Lower-chest slice from an abdominal CT, just above the liver and spleen · axial view · W/L 400/40 HU · scan has 15 labeled organs (counted over the whole 3D scan, not this slice; an organ is boxed only where this slice passes through it)
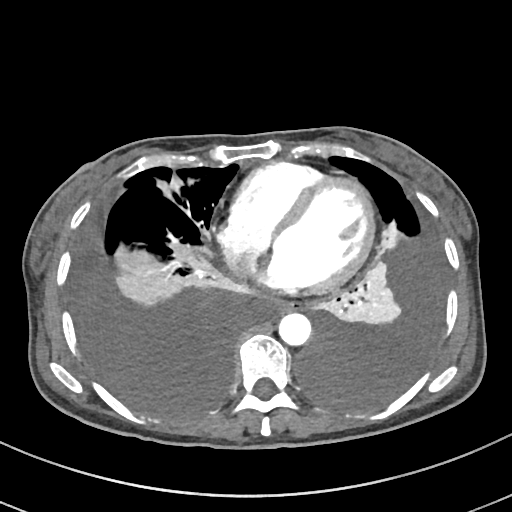
Of the structures in the chest, this dataset labels only the esophagus, the aorta and the inferior vena cava; the heart and lungs have no label.
{"organs":{"aorta":[278,313,311,345],"esophagus":[274,301,299,312]}}